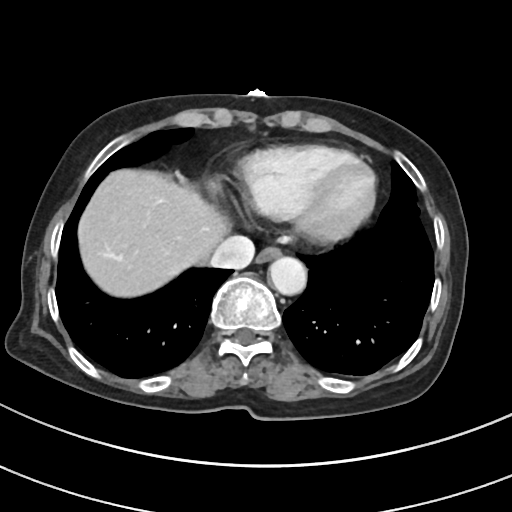

Abdominal CT. axial view. soft-tissue window. 512x512 px
Boxes: x1 y1 x2 y2 (pixel coords, space-separated).
Organ bounding boxes:
- inferior vena cava: 210 236 254 269
- liver: 78 169 228 297
- esophagus: 256 246 281 263
- aorta: 268 256 306 295